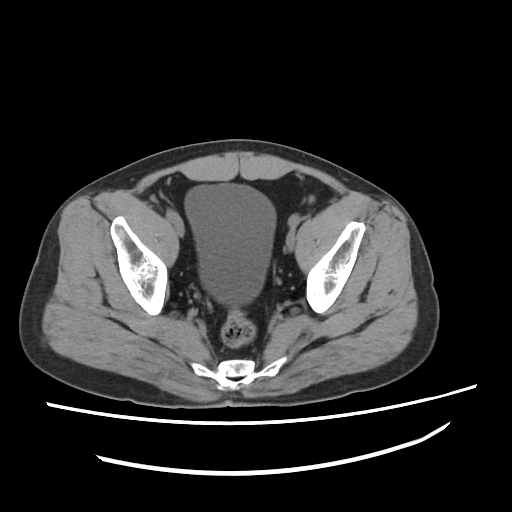

Abdominal CT · axial view · 45-year-old male patient
Coordinates as <box>x1,y1,x2,y2</box> in pixels. Labeled organs on this slice: bladder at <box>182,184,273,308</box>.